CT, abdomen/pelvis · axial view · W/L 400/40 HU · 512x512 px · scan has 15 labeled organs (counted over the whole 3D scan, not this slice; an organ is boxed only where this slice passes through it)
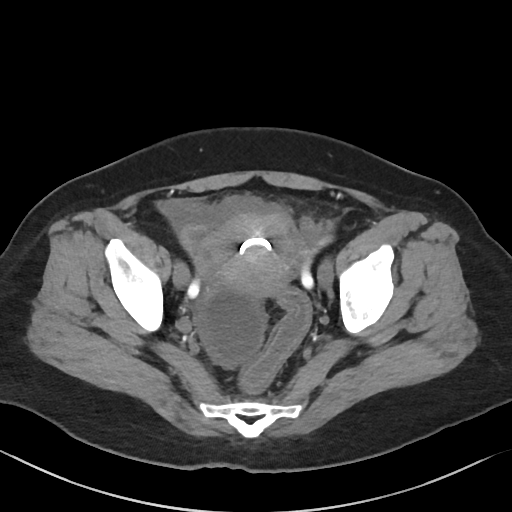
<organs><organ name="prostate/uterus" x1="201" y1="210" x2="307" y2="297"/></organs>